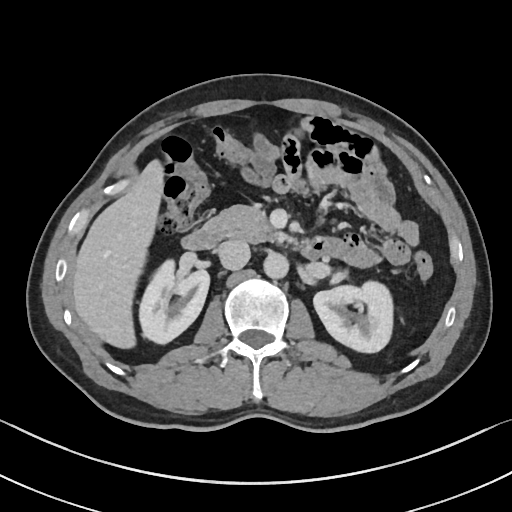
Computed tomography, abdomen; axial view; scan has 15 labeled organs (counted over the whole 3D scan, not this slice; an organ is boxed only where this slice passes through it)
Boxes: x1 y1 x2 y2 (pixel coords, space-separated). The annotated organs in this slice are: spleen at 425 316 434 328, right kidney at 141 260 208 343, left kidney at 314 282 394 353, liver at 72 158 163 349, aorta at 264 253 288 279, inferior vena cava at 215 239 250 270, pancreas at 204 205 276 243, duodenum at 181 225 329 258.